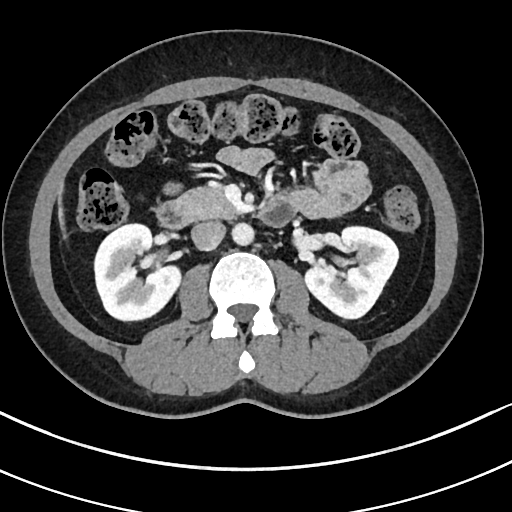

CT, abdomen/pelvis · axial plane, index 129 · scan has 15 labeled organs (that count is for the whole scan; organs this slice misses have no box)
Bounding boxes as [x1, y1, x2, y2] in pixel coordinates.
Organ bounding boxes:
- right kidney: [94, 224, 180, 320]
- left kidney: [305, 226, 398, 318]
- liver: [59, 208, 62, 222]
- aorta: [232, 222, 254, 245]
- inferior vena cava: [191, 221, 225, 250]
- pancreas: [177, 186, 238, 218]
- duodenum: [156, 196, 294, 228]